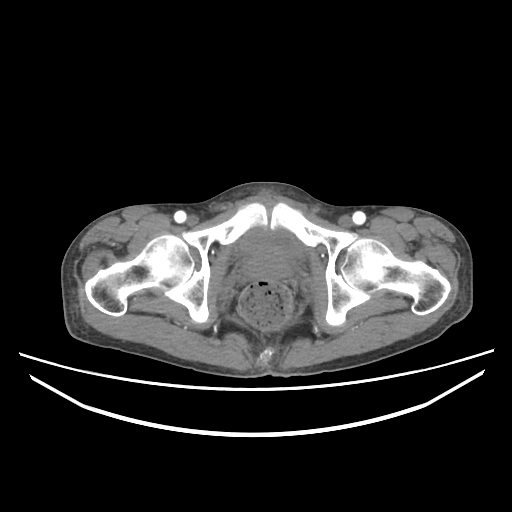
CT, abdomen/pelvis; axial view; soft-tissue window; 512x512 px; 50-year-old male patient; Aquilion ONE scanner
Bounding boxes in pixels, one row per box: x1, y1 is the top-left corner and x2, y2 the bottom-right.
| organ | x1 | y1 | x2 | y2 |
|---|---|---|---|---|
| prostate/uterus | 243 | 251 | 291 | 279 |
| bladder | 240 | 228 | 302 | 257 |